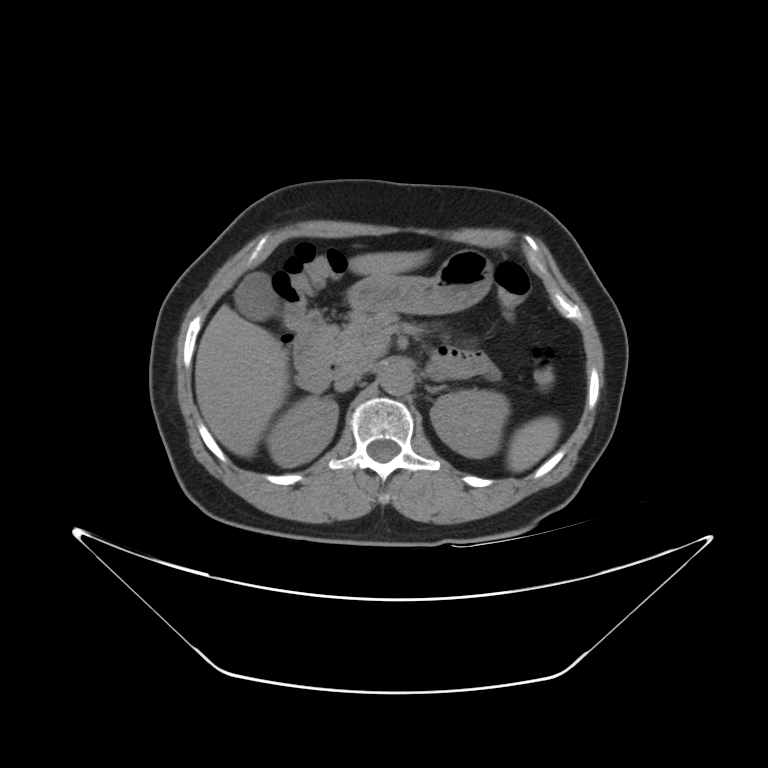

CT, abdomen/pelvis · axial view · soft-tissue window (W 400 / L 40) · 768x768 px
One row per box, in pixels: columns x1 and y1 give the top-left corner, x2 and y2 the bottom-right.
| organ | x1 | y1 | x2 | y2 |
|---|---|---|---|---|
| spleen | 506 | 416 | 561 | 470 |
| right kidney | 268 | 395 | 338 | 465 |
| left kidney | 432 | 388 | 510 | 457 |
| gall bladder | 234 | 276 | 279 | 318 |
| liver | 193 | 250 | 429 | 454 |
| stomach | 343 | 248 | 491 | 314 |
| aorta | 374 | 364 | 413 | 394 |
| inferior vena cava | 334 | 365 | 371 | 392 |
| pancreas | 312 | 309 | 399 | 375 |
| left adrenal gland | 427 | 386 | 446 | 393 |
| duodenum | 290 | 314 | 333 | 392 |